CT, abdomen/pelvis; axial view; 512x512 px; 58-year-old male patient
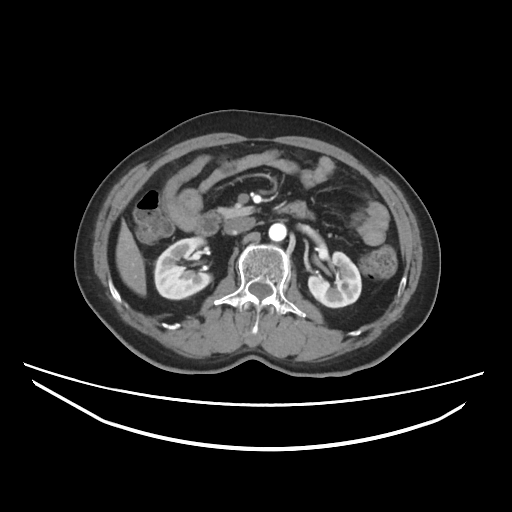

Bounding boxes as [x1, y1, x2, y2] in pixel coordinates. Labeled organs on this slice: right kidney at [154, 237, 211, 299], duodenum at [195, 201, 312, 235], liver at [116, 220, 146, 295], left kidney at [308, 252, 361, 307], aorta at [268, 223, 286, 241], pancreas at [218, 206, 254, 218], inferior vena cava at [223, 217, 255, 234].